Computed tomography, abdomen — axial view — W/L 400/40 HU
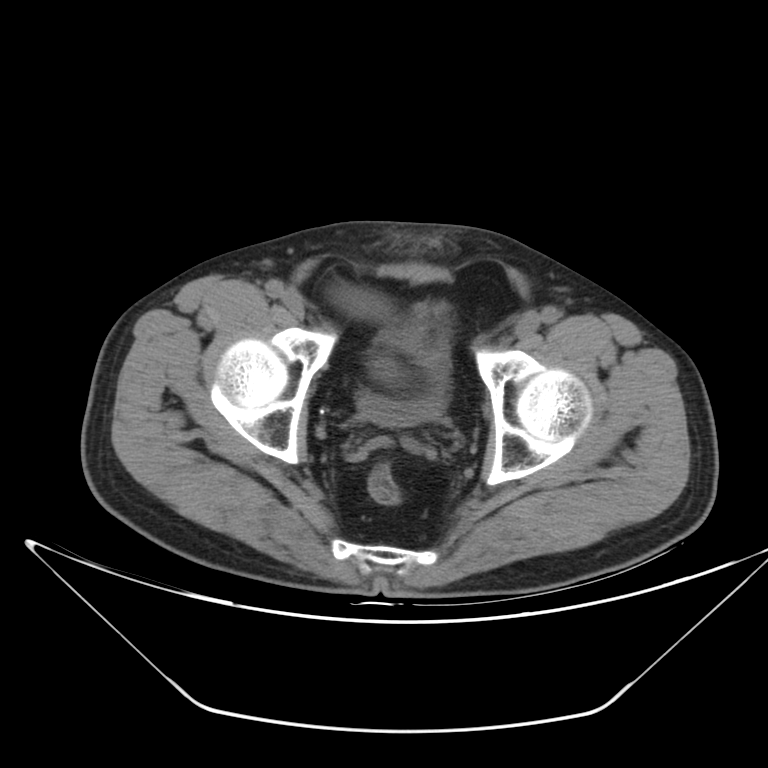
Boxes: x1:y1:x2:y2 in pixels. The annotated organs in this slice are: bladder at 357:324:445:426.